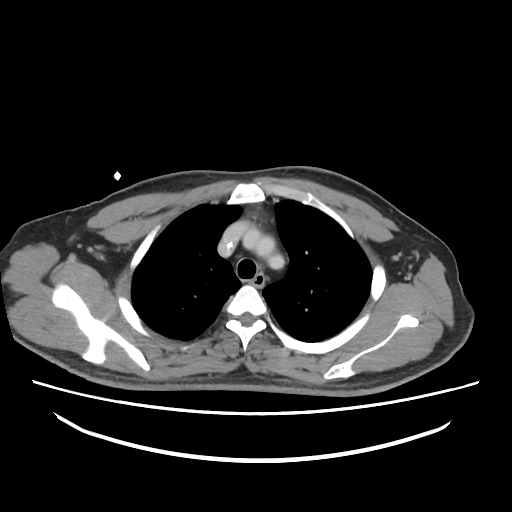
Chest-level CT slice, above the liver and spleen — axial view — soft-tissue window — 15 organs annotated in this scan (counted over the whole 3D scan, not this slice; an organ is boxed only where this slice passes through it)
On a slice this high in the chest, this dataset labels only the esophagus and the aorta, and each is boxed only where it is labeled; the heart, lungs and other chest structures are not labeled.
{"organs":{"esophagus":[250,274,263,287],"aorta":[252,234,283,266]}}